Abdominal CT — axial view — soft-tissue window — 512x512 px
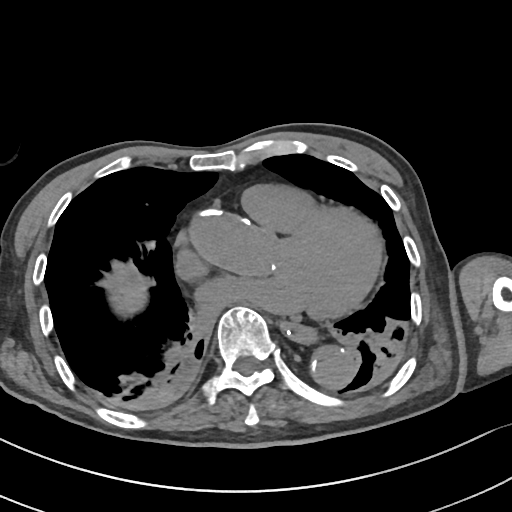

Boxes: x1 y1 x2 y2 (pixel coords, space-separated).
liver: 111 277 146 315
esophagus: 282 321 314 342
aorta: 311 348 353 386